CT, abdomen/pelvis. Axial slice 183/230
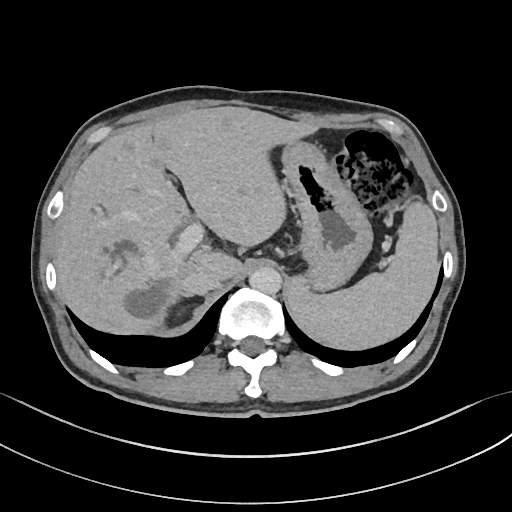

Boxes are (x1, y1, x2, y2) in pixels. The annotated organs in this slice are: aorta at (249, 267, 281, 294), spleen at (288, 202, 438, 348), stomach at (284, 143, 373, 292), liver at (54, 107, 320, 333), inferior vena cava at (183, 272, 221, 296), right adrenal gland at (170, 292, 181, 306).